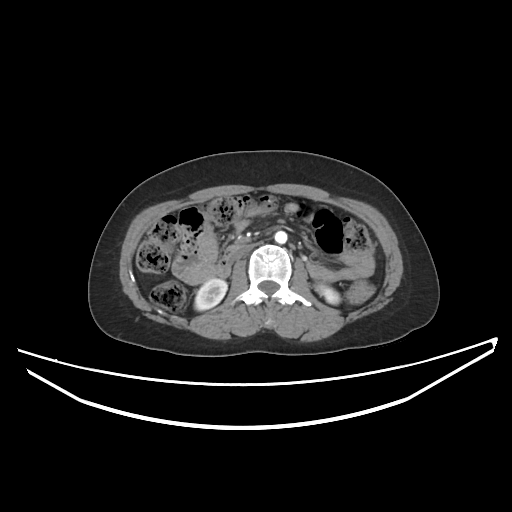

CT, abdomen/pelvis; axial view; abdomen soft-tissue window
<organs><organ name="inferior vena cava" x1="232" y1="244" x2="253" y2="260"/><organ name="right kidney" x1="195" y1="278" x2="227" y2="310"/><organ name="left kidney" x1="316" y1="284" x2="340" y2="304"/><organ name="aorta" x1="275" y1="231" x2="287" y2="243"/><organ name="duodenum" x1="219" y1="245" x2="237" y2="276"/></organs>